Abdominal CT; this slice is in the lower chest, just above the liver. axial view. W/L 400/40 HU
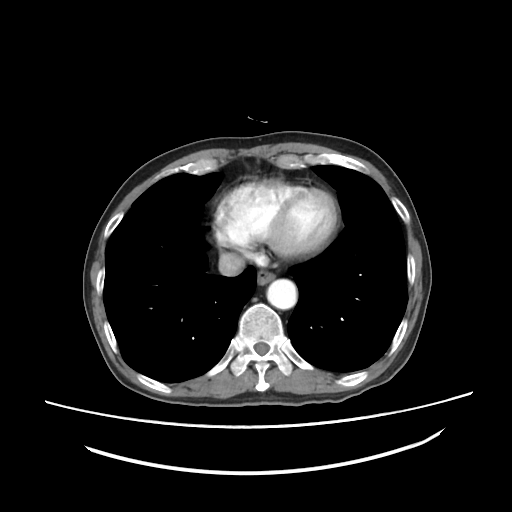
Of the structures in the chest, this dataset labels only the esophagus, the aorta and the inferior vena cava; the heart and lungs have no label.
<organs><organ name="esophagus" x1="257" y1="270" x2="274" y2="284"/><organ name="inferior vena cava" x1="218" y1="252" x2="245" y2="276"/><organ name="aorta" x1="266" y1="279" x2="297" y2="309"/></organs>